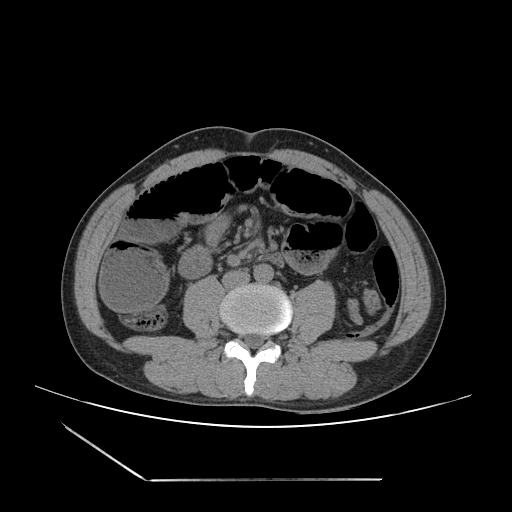
CT abdomen — axial view — soft-tissue window (W 400 / L 40) — 512x512 px
<organs><organ name="inferior vena cava" x1="222" y1="269" x2="250" y2="288"/><organ name="aorta" x1="253" y1="264" x2="273" y2="283"/></organs>